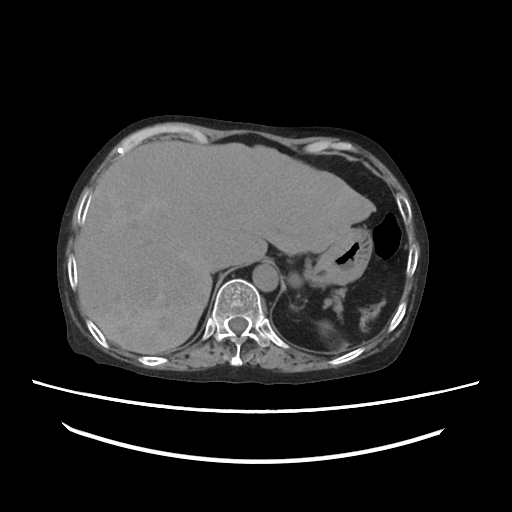
CT abdomen. axial view. W/L 400/40 HU. scan has 15 labeled organs (a whole-scan count: organs this slice does not pass through have no box)
Organ boxes in pixel coordinates; each row gives the top-left (x1, y1) and bottom-right (x2, y2) corners.
| organ | x1 | y1 | x2 | y2 |
|---|---|---|---|---|
| spleen | 320 | 321 | 331 | 333 |
| liver | 76 | 140 | 375 | 354 |
| stomach | 304 | 228 | 372 | 284 |
| aorta | 252 | 264 | 278 | 291 |
| inferior vena cava | 208 | 254 | 230 | 272 |
| pancreas | 333 | 290 | 343 | 312 |